Computed tomography, abdomen. axial view. 512x512 px
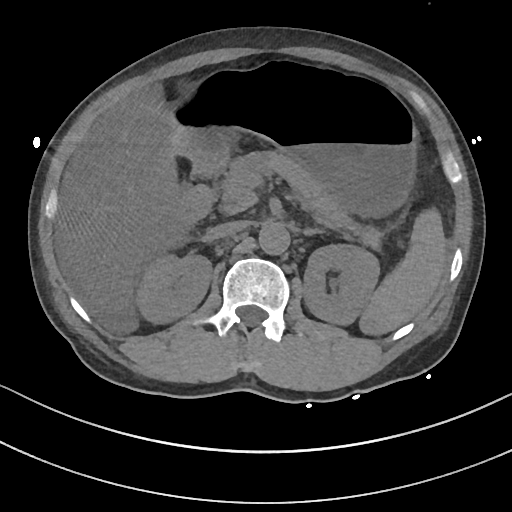
{"organs":{"duodenum":[178,176,216,224],"inferior vena cava":[206,220,247,239],"pancreas":[220,151,382,247],"aorta":[258,221,290,254],"liver":[57,83,188,313],"right kidney":[136,253,211,323],"stomach":[168,67,416,216],"left kidney":[303,244,379,325],"spleen":[359,208,446,334],"left adrenal gland":[303,227,324,235]}}